Abdominal CT; axial view; SOMATOM Force scanner
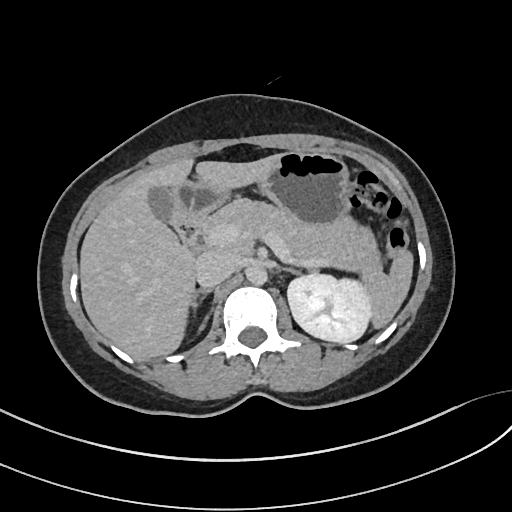

Coordinates as <box>x1,y1,x2,y2</box> in pixels.
spleen: <box>362,249,413,328</box>
left kidney: <box>287,273,371,342</box>
gall bladder: <box>148,186,174,225</box>
liver: <box>79,155,278,357</box>
stomach: <box>170,151,350,226</box>
aorta: <box>246,266,267,285</box>
inferior vena cava: <box>196,251,238,287</box>
pancreas: <box>204,198,381,274</box>
right adrenal gland: <box>192,288,217,332</box>
left adrenal gland: <box>285,268,300,274</box>
duodenum: <box>174,212,209,252</box>